CT abdomen; axial view; abdomen soft-tissue window; 512x512 px
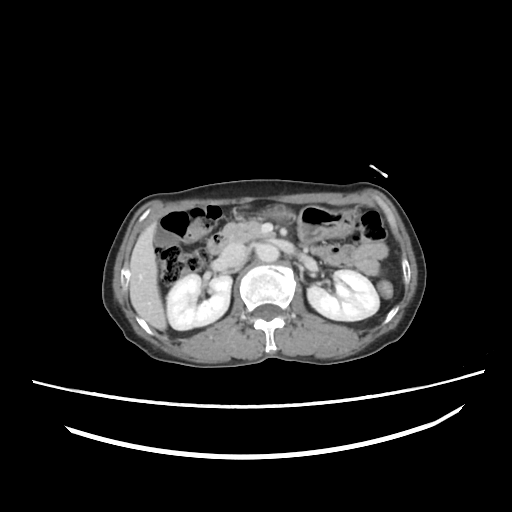

Box edges are left/top/right/bottom in pixels.
Organ bounding boxes:
- duodenum: left=208, top=233, right=228, bottom=254
- aorta: left=257, top=244, right=279, bottom=262
- left kidney: left=306, top=269, right=380, bottom=320
- pancreas: left=224, top=219, right=275, bottom=243
- stomach: left=266, top=204, right=355, bottom=241
- right kidney: left=166, top=275, right=231, bottom=329
- liver: left=130, top=221, right=165, bottom=329
- inferior vena cava: left=220, top=242, right=248, bottom=268
- gall bladder: left=153, top=225, right=178, bottom=247